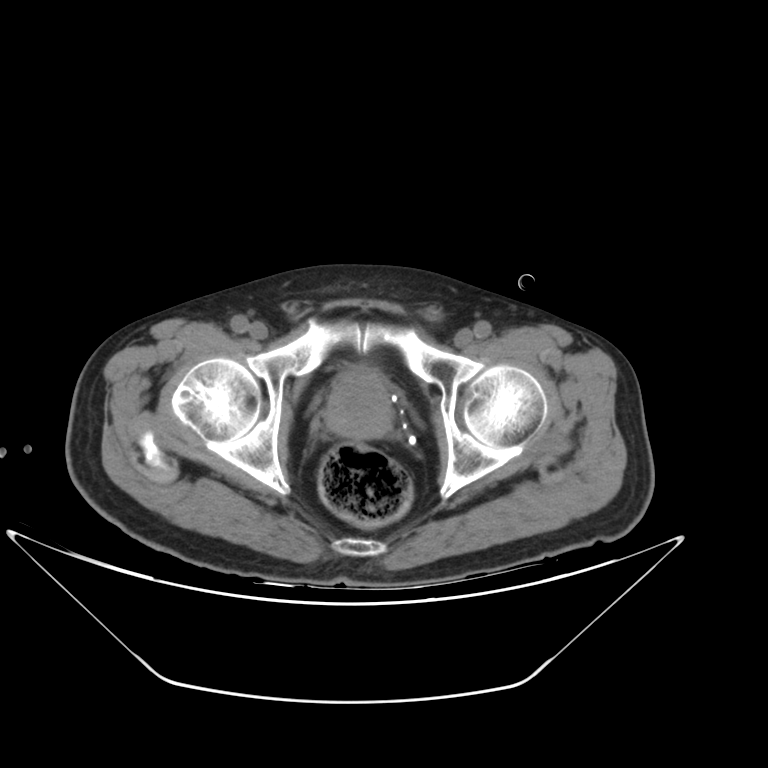 Computed tomography, abdomen. axial view. 768x768 px
Boxes: x1 y1 x2 y2 (pixel coords, space-separated).
prostate/uterus: 324 371 392 439